Chest-level slice from an abdominal CT that extends up into the chest — axial view — 512x512 px — 14 organs annotated in this scan (that count is for the whole scan; organs this slice misses have no box)
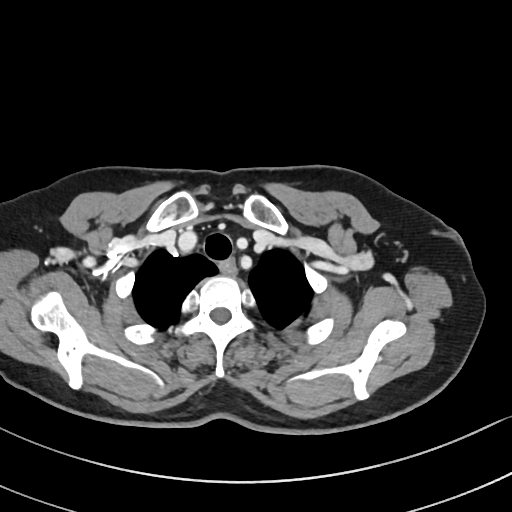 At this level of the chest no structure but the esophagus and the aorta has a label in this dataset, and those two are boxed only where they are labeled.
Organ boxes in pixel coordinates; each row gives the top-left (x1, y1) and bottom-right (x2, y2) corners.
| organ | x1 | y1 | x2 | y2 |
|---|---|---|---|---|
| esophagus | 220 | 259 | 236 | 273 |